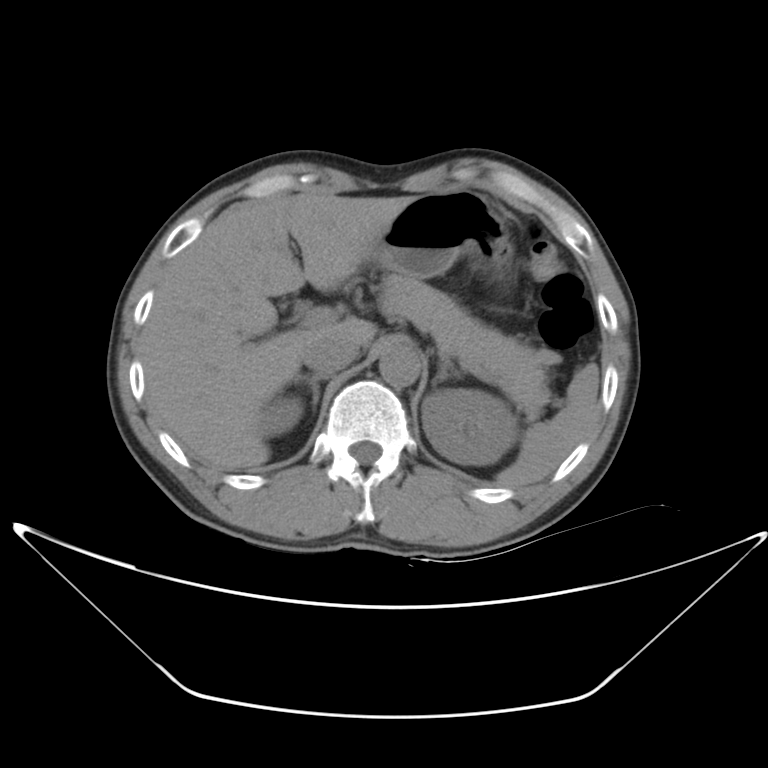

Computed tomography, abdomen. axial view. W/L 400/40 HU. 768x768 px. 51-year-old male patient
One row per box, in pixels: columns x1 and y1 give the top-left corner, x2 and y2 the bottom-right.
| organ | x1 | y1 | x2 | y2 |
|---|---|---|---|---|
| spleen | 498 | 362 | 597 | 486 |
| right kidney | 251 | 395 | 302 | 437 |
| left kidney | 422 | 389 | 513 | 465 |
| liver | 143 | 195 | 413 | 465 |
| stomach | 370 | 189 | 513 | 280 |
| aorta | 376 | 346 | 421 | 388 |
| inferior vena cava | 303 | 341 | 356 | 371 |
| pancreas | 370 | 273 | 563 | 421 |
| right adrenal gland | 297 | 376 | 323 | 405 |
| left adrenal gland | 431 | 360 | 462 | 388 |